Computed tomography, abdomen — axial view — soft-tissue window (W 400 / L 40)
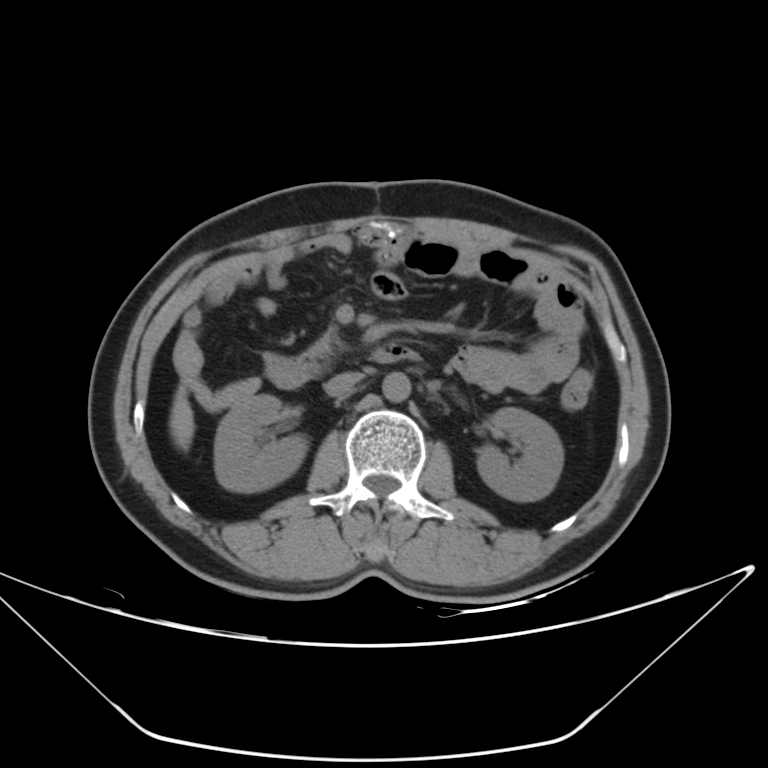 {"organs":{"right kidney":[214,395,308,492],"left kidney":[476,407,563,501],"inferior vena cava":[324,372,362,396],"pancreas":[310,331,331,355],"aorta":[382,372,410,402],"duodenum":[266,341,419,389],"liver":[169,387,194,450]}}